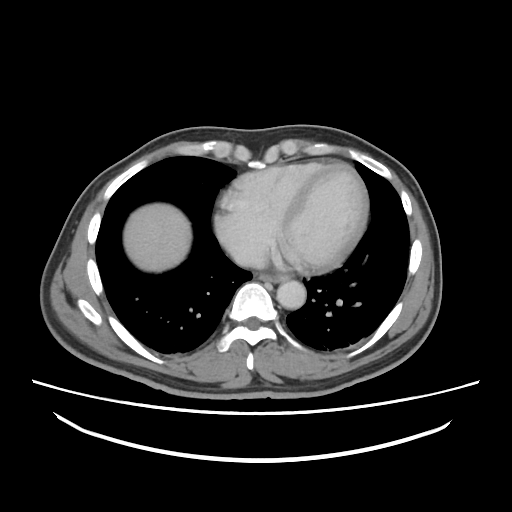
CT, abdomen/pelvis. axial view. soft-tissue window. 512x512 px
One row per box, in pixels: columns x1 and y1 give the top-left corner, x2 and y2 the bottom-right.
| organ | x1 | y1 | x2 | y2 |
|---|---|---|---|---|
| esophagus | 260 | 274 | 289 | 282 |
| liver | 123 | 203 | 191 | 271 |
| aorta | 277 | 280 | 306 | 309 |
| inferior vena cava | 231 | 241 | 266 | 266 |